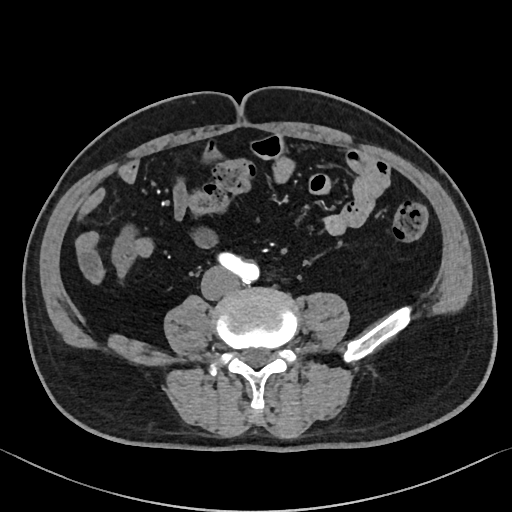

CT, abdomen/pelvis · axial view · scan has 15 labeled organs (that count is for the whole scan; organs this slice misses have no box)
Coordinates as <box>x1,y1,x2,y2</box> in pixels.
Organ bounding boxes:
- inferior vena cava: <box>201,268,228,297</box>